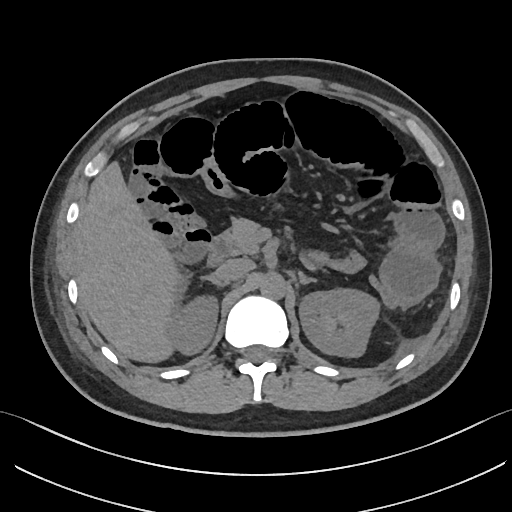 Computed tomography, abdomen — Axial slice 166/234 — 512x512 px
Boxes are (x1, y1, x2, y2) in pixels.
right kidney: (167, 295, 218, 354)
left kidney: (299, 289, 379, 357)
liver: (74, 161, 185, 362)
aorta: (260, 272, 285, 299)
inferior vena cava: (214, 258, 253, 281)
pancreas: (222, 218, 259, 254)
right adrenal gland: (204, 276, 228, 288)
left adrenal gland: (299, 274, 314, 284)
duodenum: (207, 235, 228, 265)